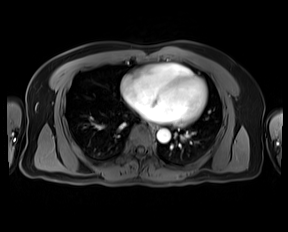 Abdominal MRI; this slice is in the lower chest, just above the liver · axial plane, index 70 · 1st–99th percentile window
No part of the heart or lungs is labeled in this dataset, so neither has a box here.
Coordinates as <box>x1,y1,x2,y2</box> in pixels.
Organ bounding boxes:
- esophagus: <box>151,124,158,129</box>
- aorta: <box>157,129,170,142</box>